Computed tomography, abdomen. axial plane, index 112. soft-tissue window (W 400 / L 40)
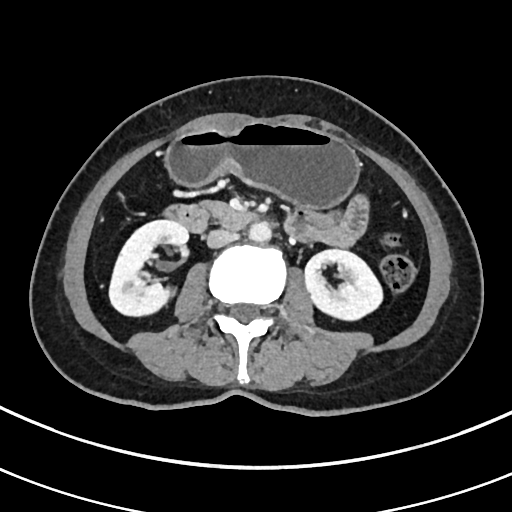 Boxes are (x1, y1, x2, y2) in pixels. The annotated organs in this slice are: inferior vena cava at (207, 229, 238, 248), aorta at (248, 222, 271, 243), left kidney at (304, 249, 383, 322), stomach at (165, 122, 358, 208), duodenum at (161, 204, 266, 233), pancreas at (199, 200, 225, 215), right kidney at (110, 220, 187, 318).